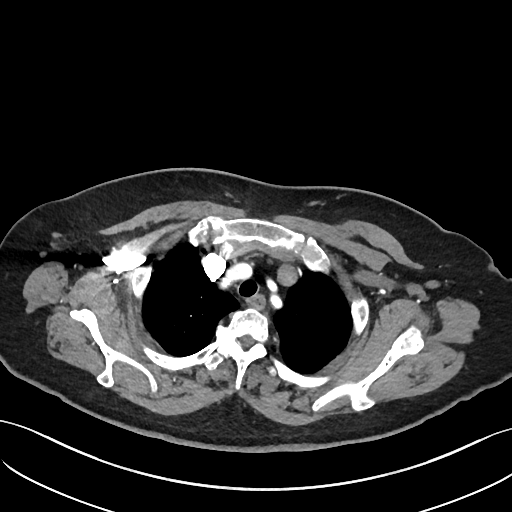
CT of the abdomen extending into the chest, slice through the chest; axial view; SOMATOM Force scanner
At this level of the chest no structure but the esophagus and the aorta has a label in this dataset, and those two are boxed only where they are labeled.
{"organs":{"esophagus":[245,295,265,309]}}